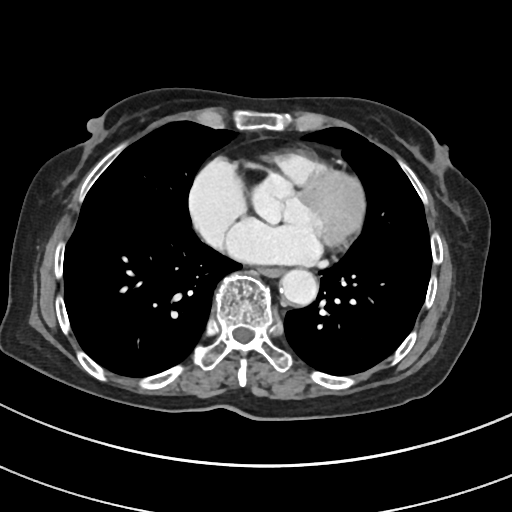

Lower-chest slice from an abdominal CT, just above the liver and spleen — axial plane, index 200 — 15 organs annotated in this scan (a whole-scan count: organs this slice does not pass through have no box)
The heart and lungs are never labeled in this dataset, so they have no box on this slice. Coordinates as <box>x1,y1,x2,y2</box> in pixels. Labeled organs on this slice: esophagus at <box>259,268,283,277</box>, aorta at <box>280,269,318,305</box>.